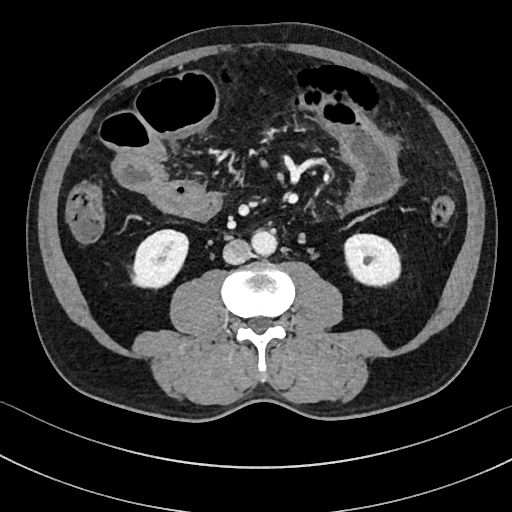 Computed tomography, abdomen; axial view; soft-tissue window (W 400 / L 40)
Bounding boxes in pixels, one row per box: x1, y1 is the top-left corner and x2, y2 the bottom-right.
| organ | x1 | y1 | x2 | y2 |
|---|---|---|---|---|
| right kidney | 132 | 230 | 187 | 287 |
| left kidney | 344 | 234 | 400 | 285 |
| aorta | 251 | 230 | 276 | 255 |
| inferior vena cava | 222 | 239 | 250 | 264 |